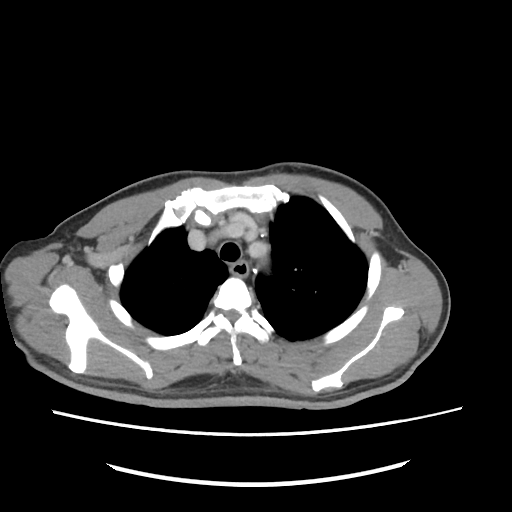

CT of the abdomen extending into the chest, slice through the chest. axial view. 54-year-old male patient
At this level of the chest no structure but the esophagus and the aorta has a label in this dataset, and those two are boxed only where they are labeled.
Box edges are left/top/right/bottom in pixels.
esophagus: left=232, top=263, right=247, bottom=275